CT, abdomen/pelvis; axial plane, index 186
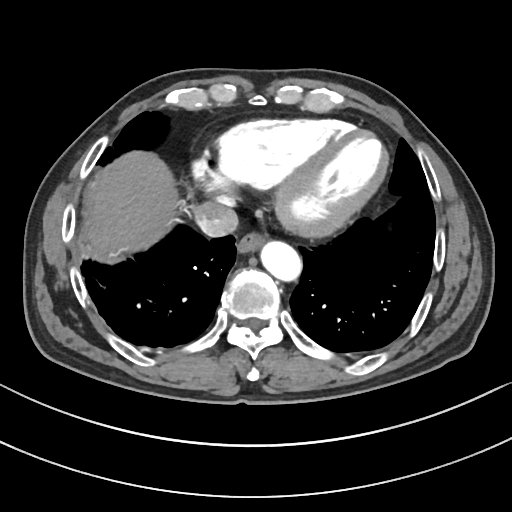 <organs><organ name="esophagus" x1="237" y1="232" x2="264" y2="253"/><organ name="liver" x1="92" y1="151" x2="179" y2="252"/><organ name="aorta" x1="260" y1="241" x2="301" y2="280"/><organ name="inferior vena cava" x1="195" y1="202" x2="238" y2="237"/></organs>